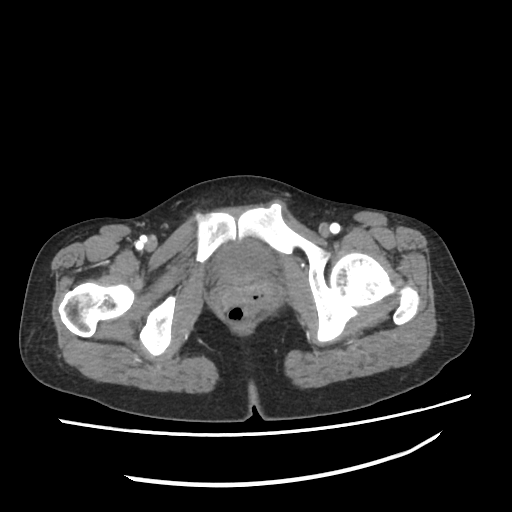

Abdominal CT; axial view; W/L 400/40 HU; 512x512 px; 15 organs annotated in this scan (that count is for the whole scan; organs this slice misses have no box)
Organ boxes in pixel coordinates; each row gives the top-left (x1, y1) and bottom-right (x2, y2) corners.
| organ | x1 | y1 | x2 | y2 |
|---|---|---|---|---|
| bladder | 214 | 239 | 272 | 279 |